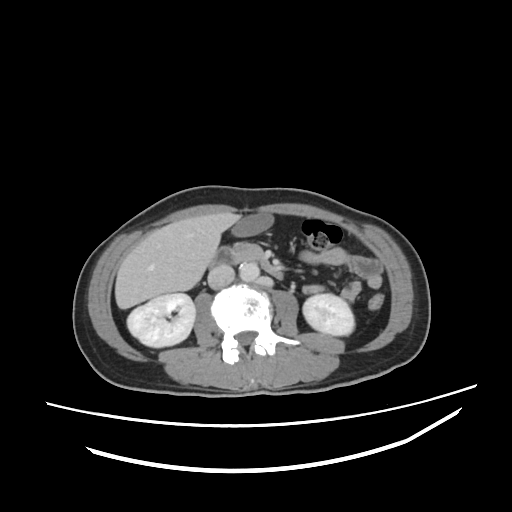 Computed tomography, abdomen — Axial slice 58/131 — scan has 15 labeled organs (a whole-scan count: organs this slice does not pass through have no box)
Bounding boxes as [x1, y1, x2, y2] in pixel coordinates. Labeled organs on this slice: liver at [115, 212, 240, 309], left kidney at [303, 294, 354, 335], gall bladder at [231, 214, 271, 237], pancreas at [231, 243, 262, 260], right kidney at [127, 293, 195, 347], inferior vena cava at [208, 265, 234, 289], duodenum at [210, 246, 283, 279], aorta at [239, 263, 259, 281].